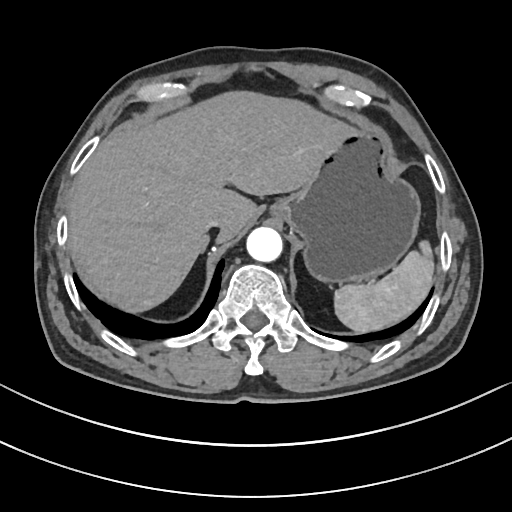

CT, abdomen/pelvis · Axial slice 170/280 · soft-tissue window · acquired on SOMATOM Force
Boxes: x1:y1:x2:y2 in pixels.
Organ bounding boxes:
- spleen: 335:239:435:332
- liver: 67:90:344:313
- stomach: 273:122:421:284
- aorta: 246:227:282:261
- inferior vena cava: 203:221:222:231